Abdominal CT · axial view · W/L 400/40 HU · scan has 15 labeled organs (that count is for the whole scan; organs this slice misses have no box)
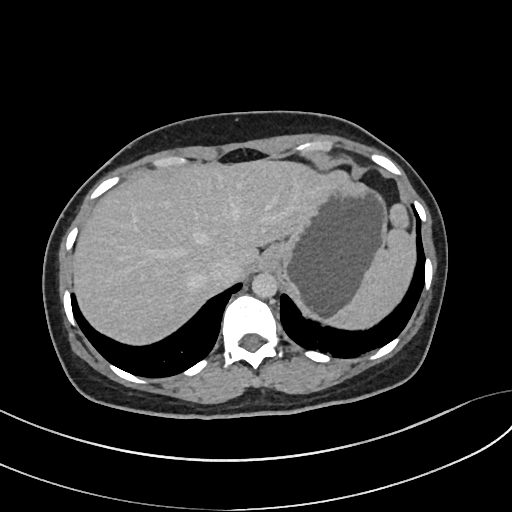
Coordinates as <box>x1,y1,x2,y2</box> in pixels.
spleen: <box>321,203,417,330</box>
liver: <box>72,158,346,346</box>
stomach: <box>258,175,388,317</box>
aorta: <box>251,273,276,298</box>
inferior vena cava: <box>206,257,241,285</box>